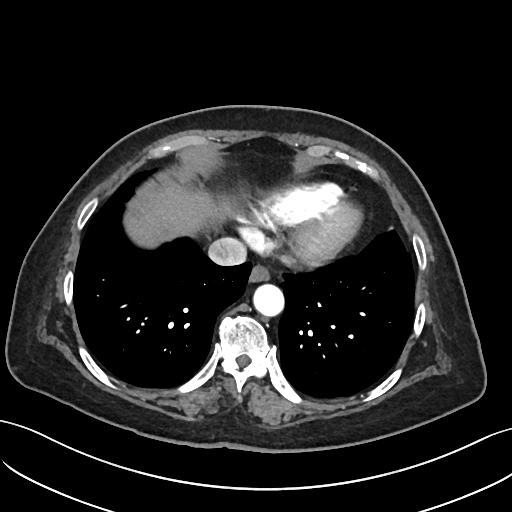

Abdominal CT · axial view · 512x512 px · scan has 15 labeled organs (counted over the whole 3D scan, not this slice; an organ is boxed only where this slice passes through it)
<organs><organ name="liver" x1="131" y1="188" x2="229" y2="248"/><organ name="aorta" x1="253" y1="284" x2="284" y2="315"/><organ name="inferior vena cava" x1="208" y1="237" x2="247" y2="265"/><organ name="esophagus" x1="249" y1="264" x2="270" y2="282"/></organs>